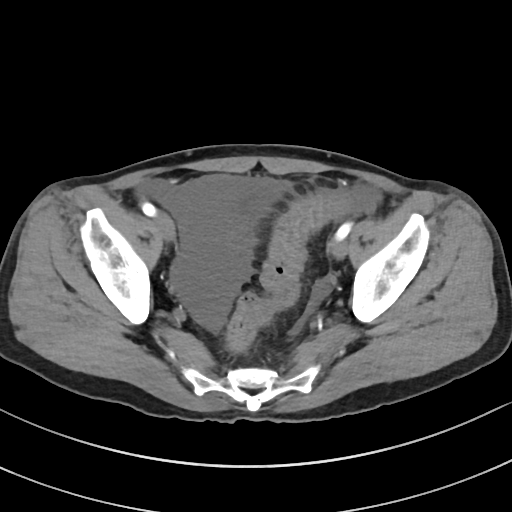 CT abdomen; axial view; 512x512 px; SOMATOM Force scanner
{"organs":{"bladder":[227,194,266,247]}}